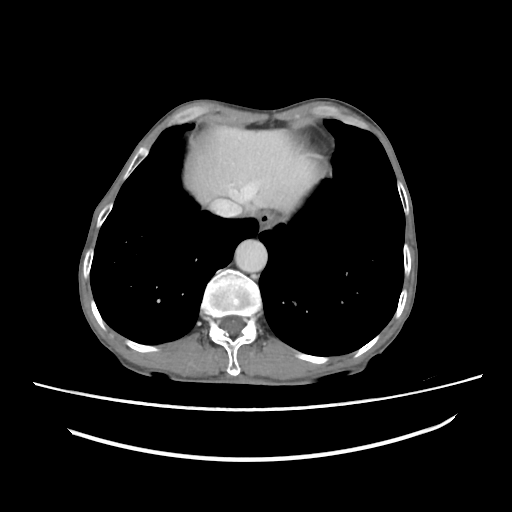
CT abdomen · axial view
Boxes: x1:y1:x2:y2 in pixels. The annotated organs in this slice are: esophagus at 258:211:276:229, liver at 185:125:318:214, aorta at 235:239:267:272, inferior vena cava at 209:198:242:217.